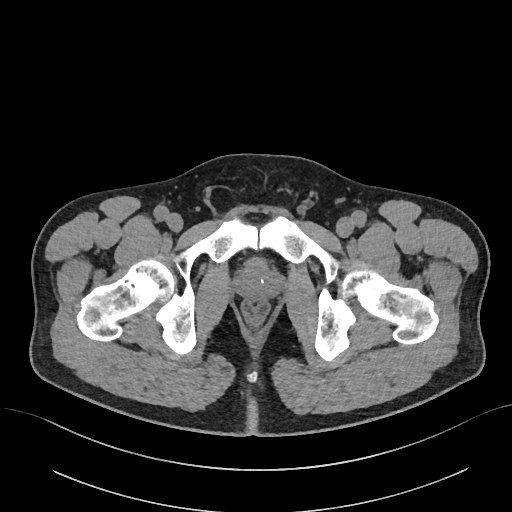 CT abdomen · axial view · abdomen soft-tissue window · 512x512 px · scan has 15 labeled organs (that count is for the whole scan; organs this slice misses have no box)
<organs><organ name="prostate/uterus" x1="236" y1="260" x2="279" y2="298"/></organs>